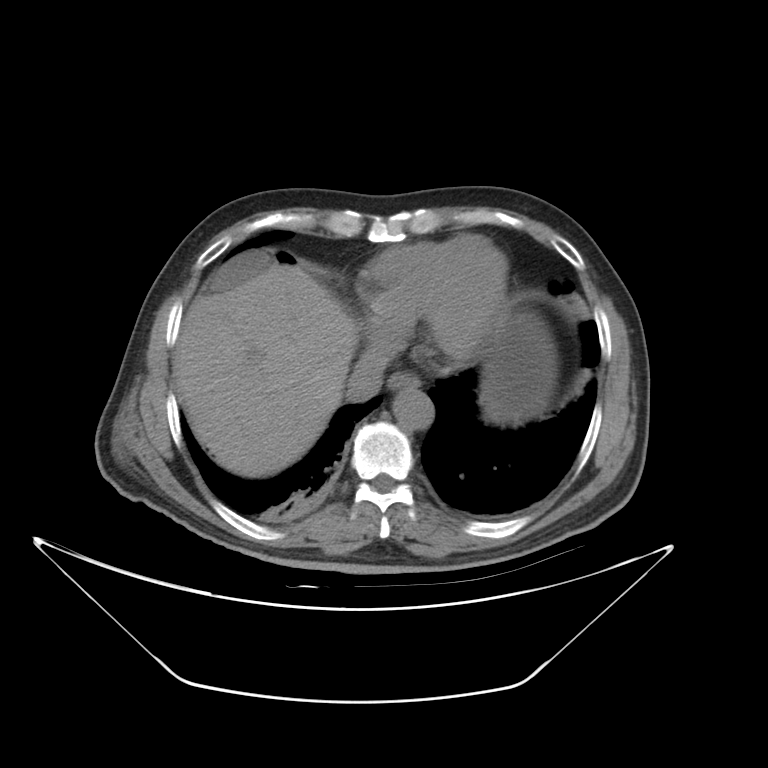 CT abdomen — axial view — soft-tissue window — 66-year-old male patient
Boxes are (x1, y1, x2, y2) in pixels.
gall bladder: (207, 251, 267, 291)
stomach: (479, 296, 558, 424)
esophagus: (386, 372, 422, 392)
liver: (172, 261, 355, 477)
aorta: (393, 390, 430, 429)
inferior vena cava: (345, 344, 388, 399)